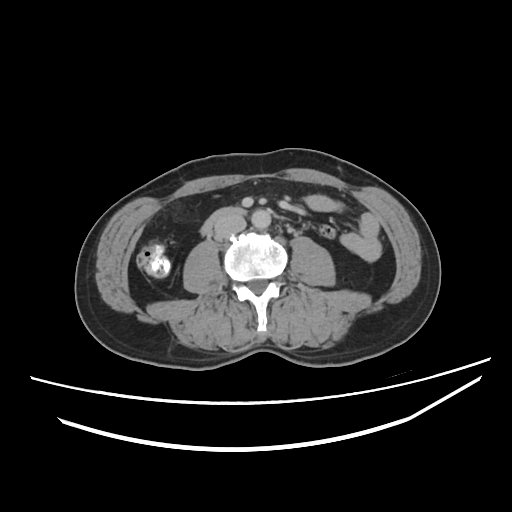

Abdominal CT — axial view
Each box given as x1,y1,x2,y2. 3 labeled organs on this slice — inferior vena cava at x1=214, y1=214, x2=245, y2=237; duodenum at x1=200, y1=207, x2=245, y2=235; aorta at x1=251, y1=209, x2=270, y2=228.